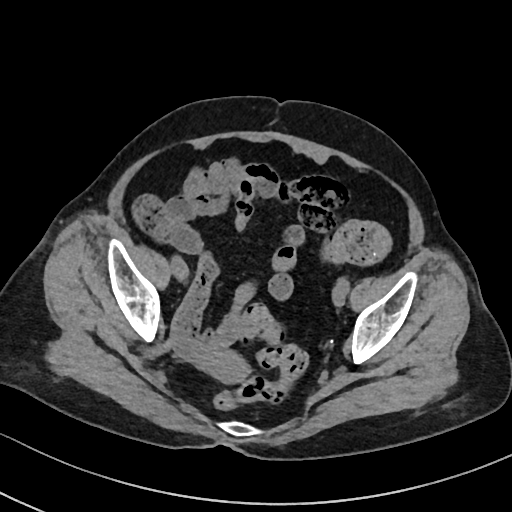
Computed tomography, abdomen — Axial slice 58/202 — soft-tissue window (W 400 / L 40)
Organ boxes in pixel coordinates; each row gives the top-left (x1, y1) and bottom-right (x2, y2) corners.
| organ | x1 | y1 | x2 | y2 |
|---|---|---|---|---|
| prostate/uterus | 207 | 350 | 248 | 382 |